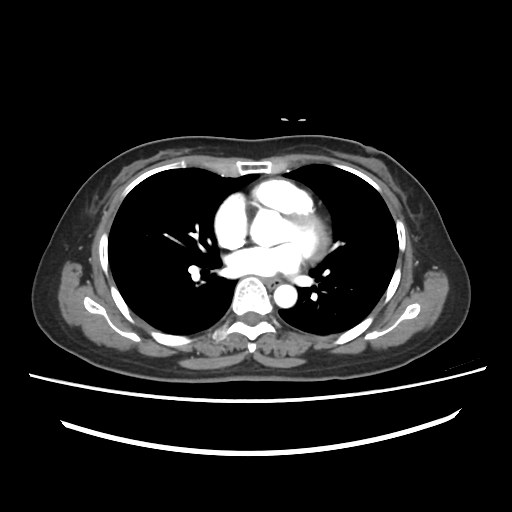

CT of the abdomen extending into the chest, slice through the chest — Axial slice 99/123 — 45-year-old female patient
At this level of the chest this dataset labels only the esophagus and the aorta, and each is boxed only where it is labeled; the heart and lungs are never labeled. Boxes are (x1, y1, x2, y2) in pixels. The annotated organs in this slice are: aorta at (251, 208, 289, 247), aorta at (274, 284, 297, 307), esophagus at (266, 278, 280, 286).